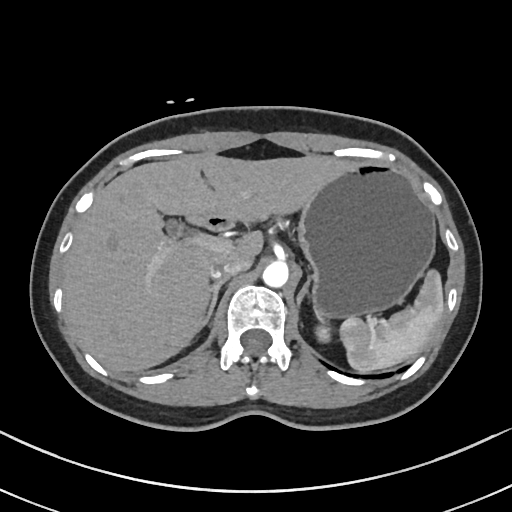 Computed tomography, abdomen — axial view — W/L 400/40 HU — 512x512 px — scan has 15 labeled organs (counted over the whole 3D scan, not this slice; an organ is boxed only where this slice passes through it)
<organs><organ name="spleen" x1="340" y1="270" x2="443" y2="371"/><organ name="left kidney" x1="315" y1="325" x2="330" y2="342"/><organ name="gall bladder" x1="166" y1="220" x2="180" y2="234"/><organ name="liver" x1="63" y1="152" x2="355" y2="371"/><organ name="stomach" x1="298" y1="163" x2="435" y2="318"/><organ name="aorta" x1="262" y1="261" x2="289" y2="287"/><organ name="inferior vena cava" x1="209" y1="256" x2="251" y2="278"/><organ name="right adrenal gland" x1="204" y1="278" x2="228" y2="324"/><organ name="left adrenal gland" x1="297" y1="278" x2="309" y2="305"/><organ name="duodenum" x1="187" y1="215" x2="231" y2="229"/></organs>